Computed tomography, abdomen — axial plane, index 86 — soft-tissue window (W 400 / L 40) — 512x512 px — 15 organs annotated in this scan (counted over the whole 3D scan, not this slice; an organ is boxed only where this slice passes through it)
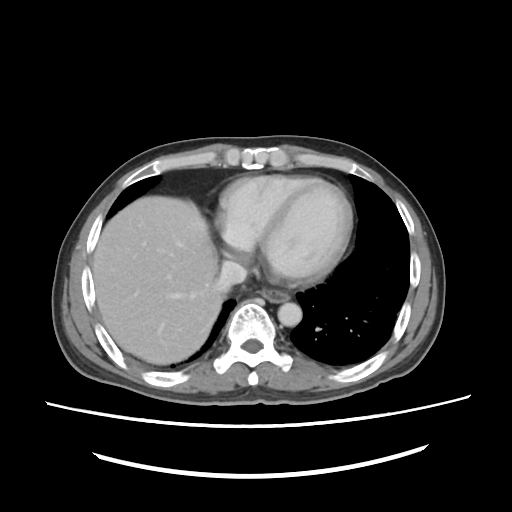
<organs><organ name="esophagus" x1="261" y1="290" x2="290" y2="302"/><organ name="liver" x1="92" y1="196" x2="221" y2="364"/><organ name="aorta" x1="278" y1="303" x2="302" y2="327"/><organ name="inferior vena cava" x1="213" y1="261" x2="246" y2="294"/></organs>